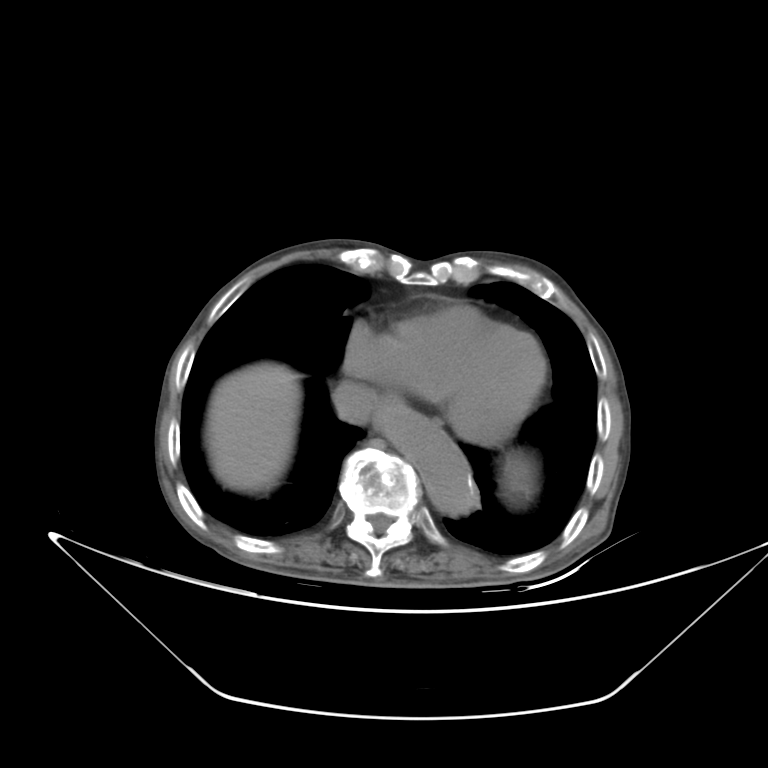
Computed tomography, abdomen · axial plane, index 76
Coordinates as <box>x1,y1,x2,y2</box> in pixels.
spleen: <box>502,458,531,500</box>
esophagus: <box>372,393,406,433</box>
liver: <box>207,364,297,490</box>
aorta: <box>380,406,479,512</box>
inferior vena cava: <box>334,379,374,426</box>